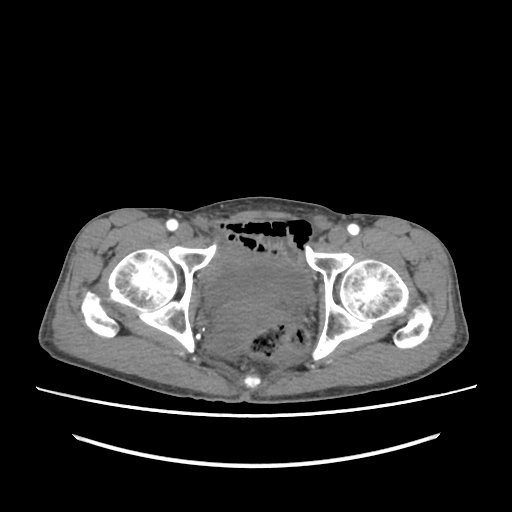 CT abdomen · axial view · 15 organs annotated in this scan (counted over the whole 3D scan, not this slice; an organ is boxed only where this slice passes through it)
Boxes: x1:y1:x2:y2 in pixels.
bladder: 206:253:311:353